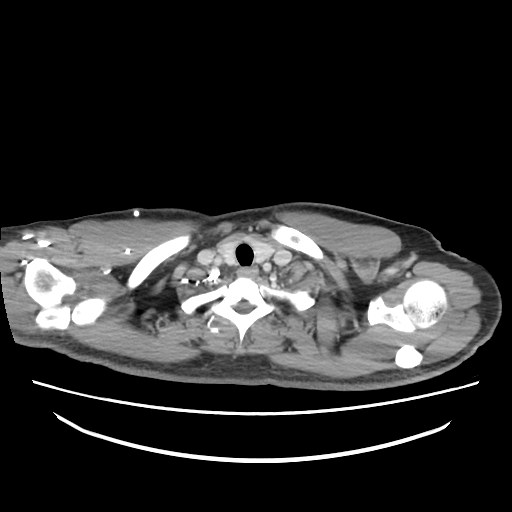 Chest-level slice from an abdominal CT that extends up into the chest — Axial slice 131/133 — 31-year-old male patient
At this level of the chest this dataset labels only the esophagus and the aorta, and each is boxed only where it is labeled; the heart and lungs are never labeled.
{"organs":{"esophagus":[237,266,258,277]}}